Computed tomography, abdomen · axial plane, index 63 · W/L 400/40 HU · scan has 15 labeled organs (that count is for the whole scan; organs this slice misses have no box)
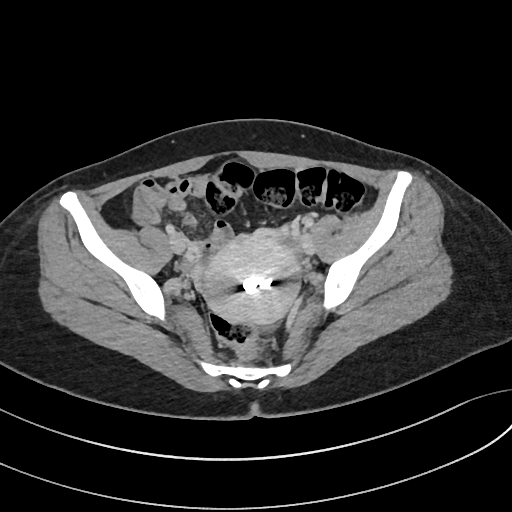

Boxes: x1:y1:x2:y2 in pixels.
Organ bounding boxes:
- prostate/uterus: 200:231:302:324